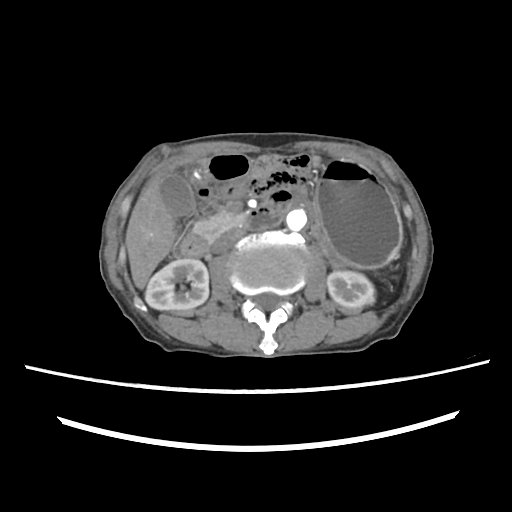 Abdominal CT. axial plane, index 53. 81-year-old male patient. acquired on Aquilion ONE. 15 organs annotated in this scan (counted over the whole 3D scan, not this slice; an organ is boxed only where this slice passes through it)
<organs><organ name="duodenum" x1="180" y1="154" x2="280" y2="256"/><organ name="right kidney" x1="145" y1="258" x2="208" y2="310"/><organ name="pancreas" x1="193" y1="209" x2="246" y2="239"/><organ name="aorta" x1="283" y1="208" x2="307" y2="233"/><organ name="inferior vena cava" x1="213" y1="227" x2="246" y2="252"/><organ name="left kidney" x1="327" y1="271" x2="375" y2="309"/><organ name="gall bladder" x1="161" y1="172" x2="195" y2="216"/><organ name="stomach" x1="317" y1="159" x2="401" y2="266"/><organ name="liver" x1="125" y1="174" x2="175" y2="288"/></organs>